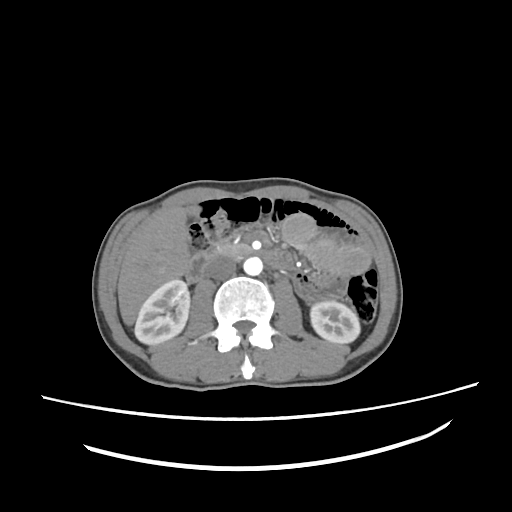
Computed tomography, abdomen. axial plane, index 59. soft-tissue window. 512x512 px
{"organs":{"right kidney":[134,279,189,344],"left kidney":[310,301,360,343],"liver":[117,207,198,324],"aorta":[243,257,262,275],"inferior vena cava":[208,256,236,279],"pancreas":[211,243,252,257],"duodenum":[185,250,291,282]}}